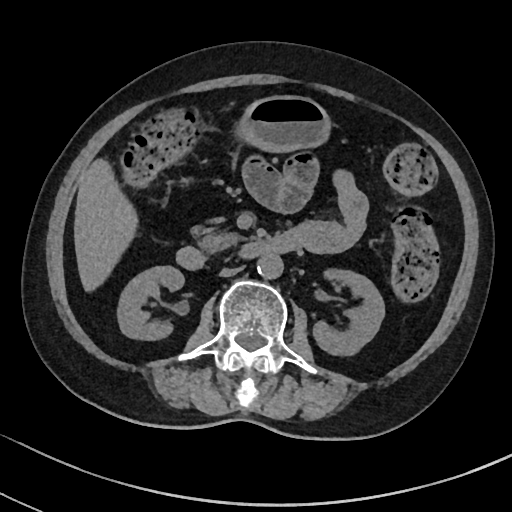
Computed tomography, abdomen · axial view · acquired on SOMATOM Force · scan has 15 labeled organs (that count is for the whole scan; organs this slice misses have no box)
Boxes are (x1, y1, x2, y2) in pixels. 8 labeled organs on this slice — right kidney at (117, 266, 183, 340); left kidney at (312, 269, 384, 355); liver at (74, 158, 137, 292); stomach at (239, 95, 331, 152); aorta at (257, 254, 283, 278); inferior vena cava at (219, 267, 238, 277); pancreas at (195, 227, 242, 253); duodenum at (176, 229, 301, 269).